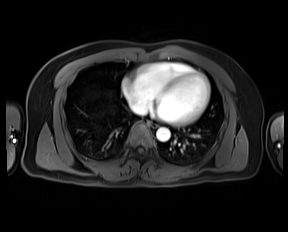

Lower-chest slice from an abdominal MRI, just above the liver and spleen; Axial slice 67/72; 1st–99th percentile window; 288x232 px; acquired on Prisma
No part of the heart or lungs is labeled in this dataset, so neither has a box here.
{"organs":{"inferior vena cava":[130,103,146,114],"esophagus":[150,122,157,127],"aorta":[156,127,170,141]}}